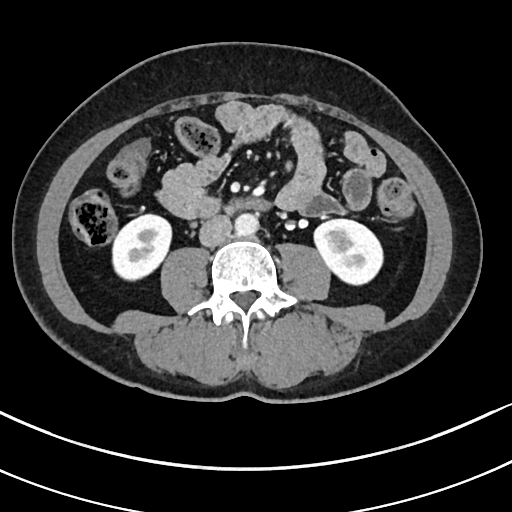 CT, abdomen/pelvis — axial view — soft-tissue window
Organ boxes in pixel coordinates; each row gives the top-left (x1, y1) and bottom-right (x2, y2) corners.
| organ | x1 | y1 | x2 | y2 |
|---|---|---|---|---|
| right kidney | 112 | 215 | 171 | 280 |
| left kidney | 313 | 217 | 383 | 285 |
| aorta | 236 | 213 | 259 | 235 |
| inferior vena cava | 199 | 214 | 232 | 245 |
| duodenum | 195 | 197 | 270 | 216 |